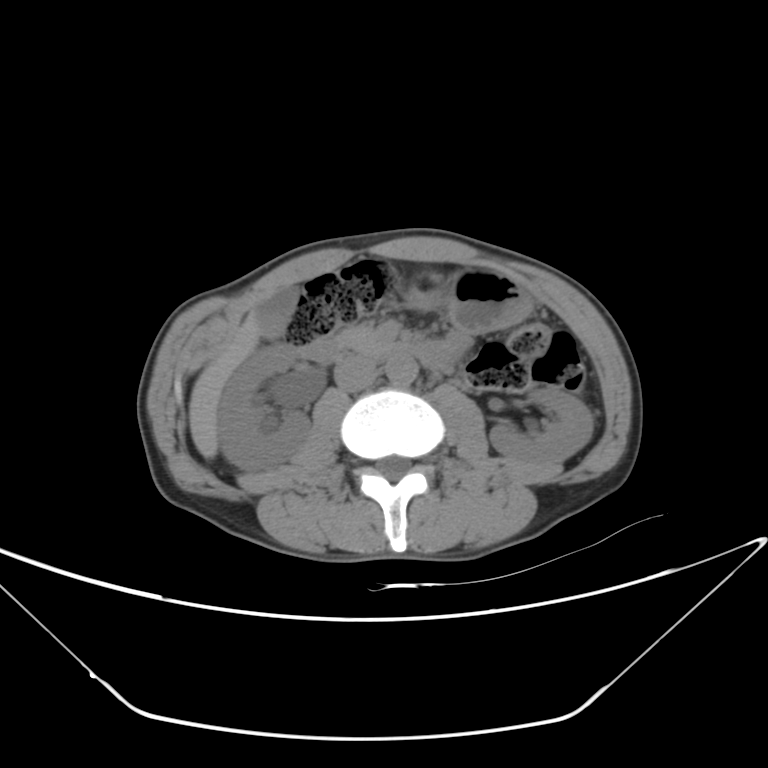

CT abdomen · axial plane, index 55 · abdomen soft-tissue window · 15 organs annotated in this scan (counted over the whole 3D scan, not this slice; an organ is boxed only where this slice passes through it)
<organs><organ name="liver" x1="189" y1="312" x2="259" y2="459"/><organ name="stomach" x1="406" y1="266" x2="530" y2="333"/><organ name="gall bladder" x1="253" y1="286" x2="298" y2="337"/><organ name="right kidney" x1="217" y1="343" x2="310" y2="470"/><organ name="pancreas" x1="332" y1="325" x2="395" y2="356"/><organ name="duodenum" x1="296" y1="340" x2="453" y2="370"/><organ name="aorta" x1="385" y1="354" x2="418" y2="385"/><organ name="inferior vena cava" x1="334" y1="356" x2="378" y2="391"/><organ name="left kidney" x1="489" y1="386" x2="593" y2="468"/></organs>